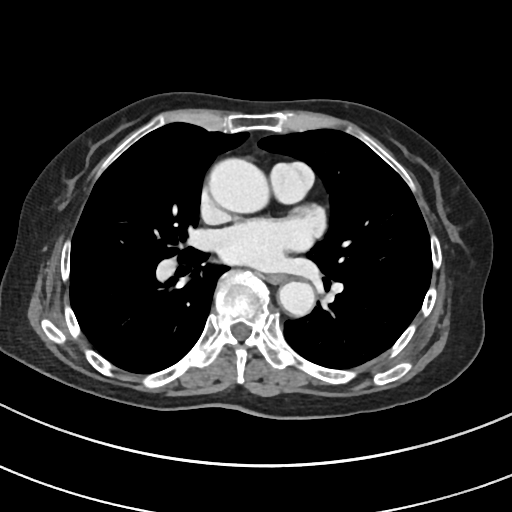
Abdominal CT; this slice is in the lower chest, just above the liver · Axial slice 215/284 · soft-tissue window (W 400 / L 40)
No part of the heart or lungs is labeled in this dataset, so neither has a box here.
<organs><organ name="esophagus" x1="266" y1="274" x2="286" y2="283"/><organ name="aorta" x1="206" y1="157" x2="266" y2="212"/><organ name="aorta" x1="278" y1="280" x2="314" y2="317"/></organs>